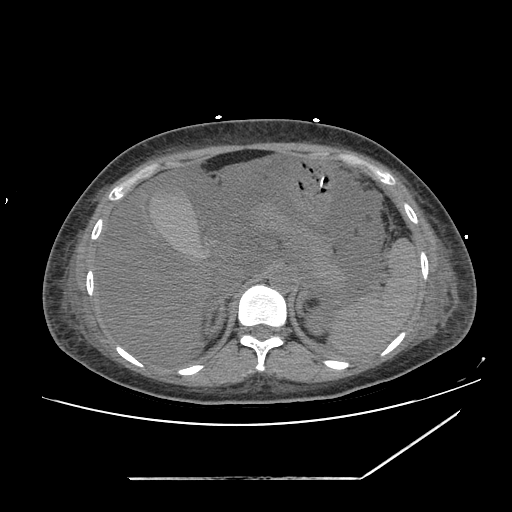 CT, abdomen/pelvis; Axial slice 137/191; soft-tissue window
Each box given as x1,y1,x2,y2.
left kidney: x1=305, y1=308, x2=329, y2=335
stomach: x1=285, y1=157, x2=334, y2=223
gall bladder: x1=148, y1=186, x2=211, y2=260
spleen: x1=328, y1=238, x2=419, y2=355
inferior vena cava: x1=213, y1=263, x2=246, y2=297
right adrenal gland: x1=204, y1=298, x2=225, y2=338
left adrenal gland: x1=296, y1=278, x2=319, y2=315
liver: x1=95, y1=153, x2=280, y2=365
pancreas: x1=248, y1=202, x2=347, y2=288
aorta: x1=269, y1=269, x2=294, y2=292